CT, abdomen/pelvis; axial plane, index 22; 48-year-old male patient
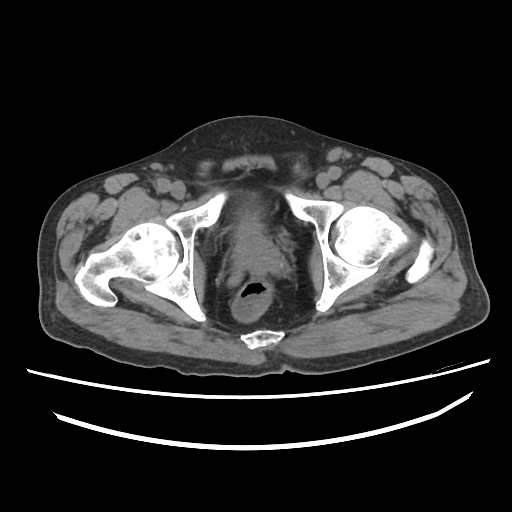

Bounding boxes in pixels, one row per box: x1, y1 is the top-left corner and x2, y2 the bottom-right.
| organ | x1 | y1 | x2 | y2 |
|---|---|---|---|---|
| bladder | 238 | 203 | 260 | 232 |
| prostate/uterus | 233 | 231 | 278 | 268 |